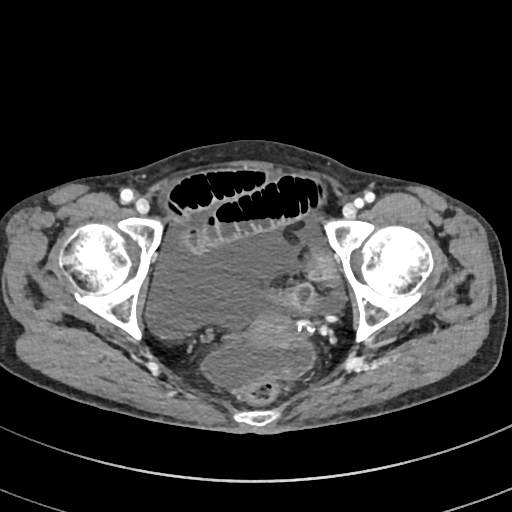

Abdominal CT; axial view
{"organs":{"prostate/uterus":[244,311,301,349]}}